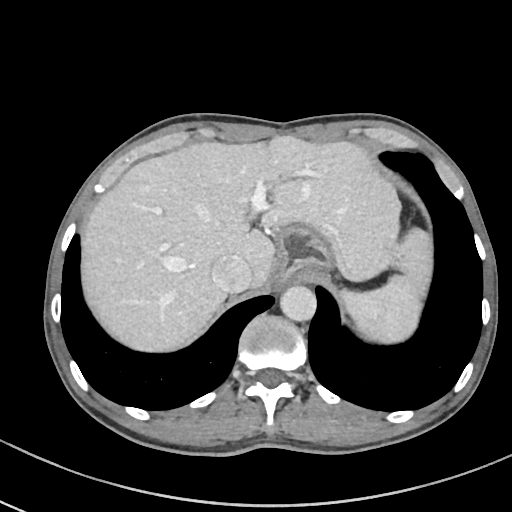

Computed tomography, abdomen. axial view. W/L 400/40 HU
Bounding boxes as [x1, y1, x2, y2] in pixel coordinates.
stomach: [273, 225, 334, 285]
aorta: [280, 286, 316, 321]
spleen: [340, 274, 422, 343]
inferior vena cava: [211, 255, 251, 292]
liver: [82, 135, 432, 351]